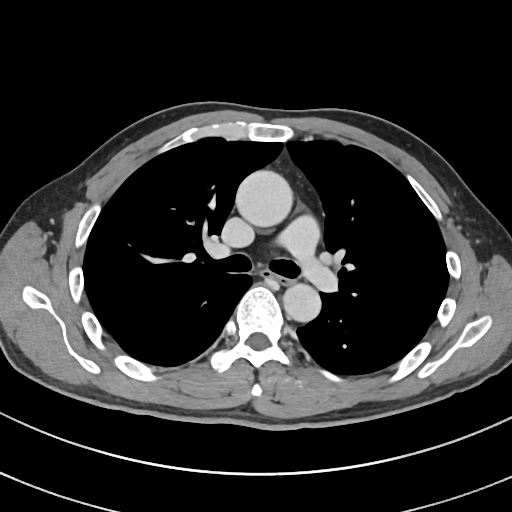
Chest-level CT slice, above the liver and spleen; axial view; scan has 15 labeled organs (that count is for the whole scan; organs this slice misses have no box)
At this level of the chest this dataset labels only the esophagus and the aorta, and each is boxed only where it is labeled; the heart and lungs are never labeled. Boxes: x1 y1 x2 y2 (pixel coords, space-separated). Labeled organs on this slice: esophagus at 273 275 293 283, aorta at 235 170 293 227, aorta at 282 283 320 322.